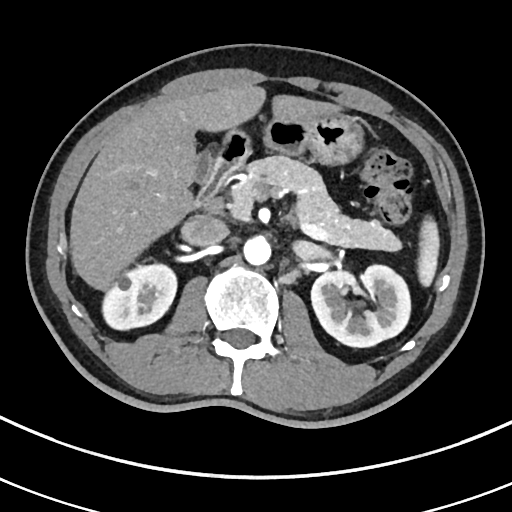 CT abdomen — axial view
{"organs":{"spleen":[417,217,440,289],"right kidney":[101,264,174,328],"left kidney":[311,265,409,347],"gall bladder":[196,152,212,182],"liver":[69,84,345,292],"stomach":[267,114,365,166],"aorta":[243,237,271,265],"inferior vena cava":[183,214,229,245],"pancreas":[231,156,402,251],"duodenum":[199,130,250,207]}}